Abdominal CT — axial view — 512x512 px — 60-year-old female patient — acquired on Aquilion ONE — 15 organs annotated in this scan (counted over the whole 3D scan, not this slice; an organ is boxed only where this slice passes through it)
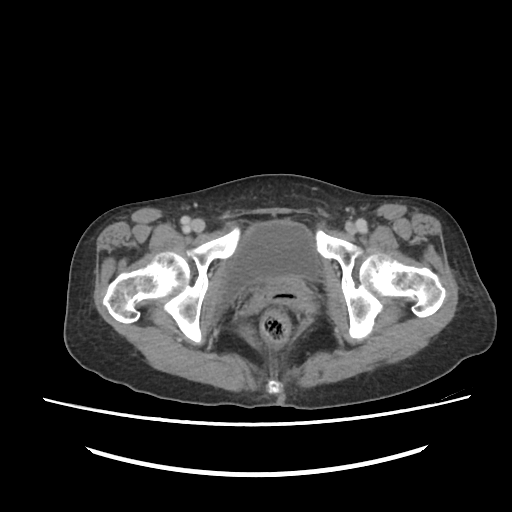
Boxes are (x1, y1, x2, y2) in pixels. Labeled organs on this slice: bladder at (219, 223, 321, 306).